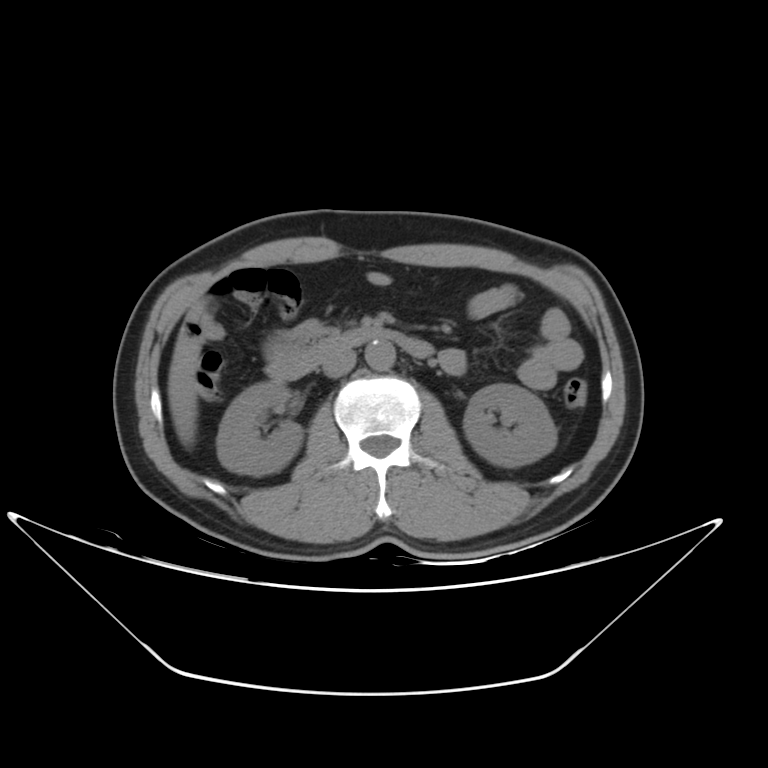
CT, abdomen/pelvis; axial plane, index 70; W/L 400/40 HU; 768x768 px
<organs><organ name="right kidney" x1="216" y1="381" x2="302" y2="475"/><organ name="left kidney" x1="465" y1="383" x2="555" y2="464"/><organ name="liver" x1="166" y1="356" x2="195" y2="446"/><organ name="aorta" x1="364" y1="339" x2="394" y2="369"/><organ name="inferior vena cava" x1="321" y1="349" x2="356" y2="377"/><organ name="duodenum" x1="267" y1="327" x2="434" y2="379"/></organs>